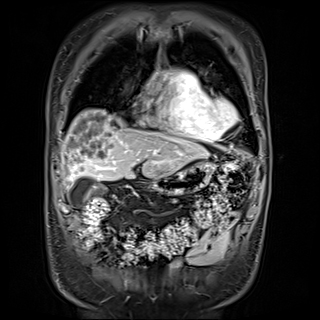 Abdominal MRI · coronal view · 320x320 px
Bounding boxes as [x1, y1, x2, y2] in pixel coordinates.
liver: [63, 110, 209, 183]
gall bladder: [69, 176, 100, 205]
stomach: [149, 160, 214, 194]